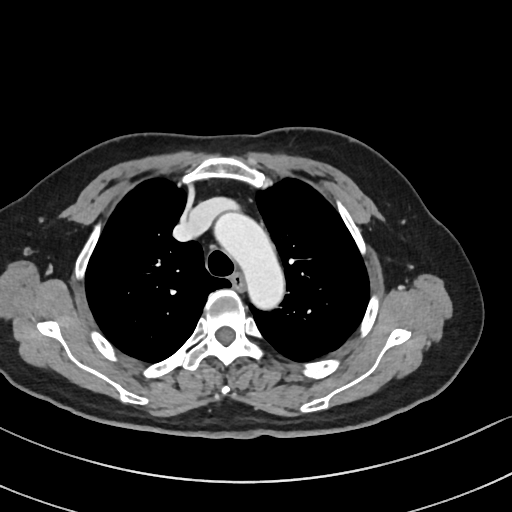

Abdominal CT reaching into the chest; this slice is in the chest. axial view
On a slice this high in the chest, this dataset labels only the esophagus and the aorta, and each is boxed only where it is labeled; the heart, lungs and other chest structures are not labeled.
<organs><organ name="aorta" x1="215" y1="213" x2="284" y2="307"/><organ name="esophagus" x1="232" y1="275" x2="243" y2="288"/></organs>